CT abdomen · axial view · W/L 400/40 HU · 512x512 px
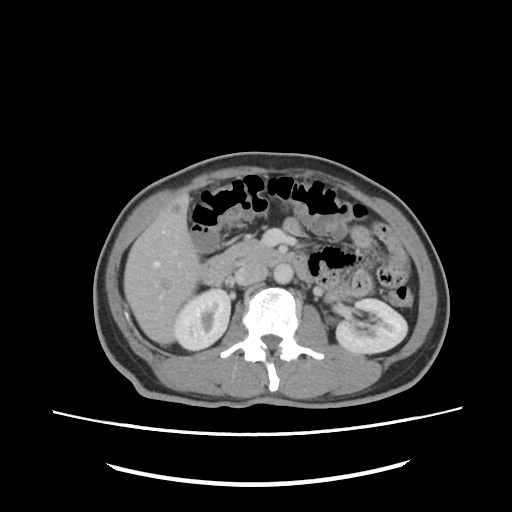
<organs><organ name="duodenum" x1="198" y1="250" x2="313" y2="285"/><organ name="pancreas" x1="221" y1="239" x2="270" y2="263"/><organ name="left kidney" x1="336" y1="299" x2="407" y2="353"/><organ name="right kidney" x1="174" y1="288" x2="230" y2="350"/><organ name="liver" x1="123" y1="193" x2="199" y2="344"/><organ name="inferior vena cava" x1="234" y1="262" x2="268" y2="285"/><organ name="aorta" x1="273" y1="264" x2="293" y2="283"/></organs>